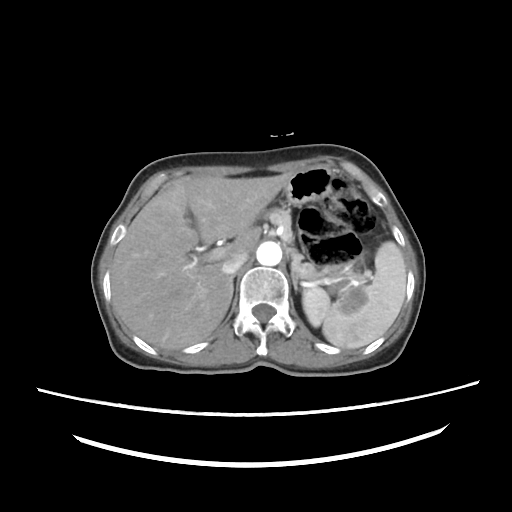

CT, abdomen/pelvis. axial view. 512x512 px. 58-year-old female patient. acquired on Aquilion ONE. scan has 15 labeled organs (counted over the whole 3D scan, not this slice; an organ is boxed only where this slice passes through it)
Bounding boxes in pixels, one row per box: x1, y1 is the top-left corner and x2, y2 the bottom-right.
| organ | x1 | y1 | x2 | y2 |
|---|---|---|---|---|
| spleen | 303 | 242 | 406 | 348 |
| liver | 111 | 173 | 290 | 350 |
| stomach | 284 | 166 | 372 | 310 |
| aorta | 257 | 242 | 281 | 266 |
| inferior vena cava | 222 | 252 | 248 | 273 |
| pancreas | 268 | 207 | 321 | 281 |
| right adrenal gland | 228 | 274 | 233 | 300 |
| left adrenal gland | 291 | 270 | 300 | 289 |